CT abdomen; axial view; 512x512 px
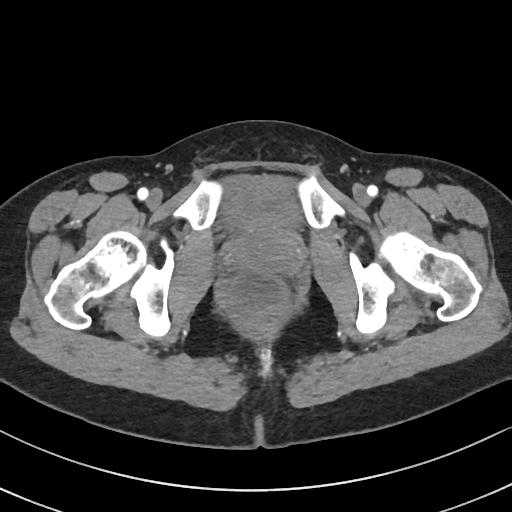
Bounding boxes in pixels, one row per box: x1, y1 is the top-left corner and x2, y2 the bottom-right.
| organ | x1 | y1 | x2 | y2 |
|---|---|---|---|---|
| bladder | 224 | 184 | 297 | 229 |